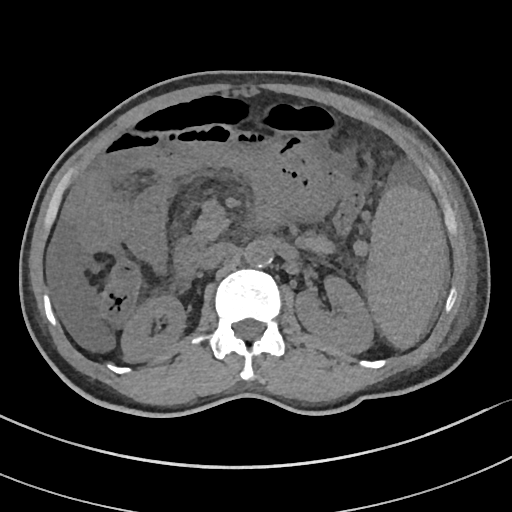
Abdominal CT. axial view. 512x512 px. SOMATOM Force scanner
Boxes: x1:y1:x2:y2 in pixels. Labeled organs on this slice: spleen at 365:184:447:349, right kidney at 121:295:185:362, left kidney at 295:276:373:353, aorta at 244:241:272:267, inferior vena cava at 200:242:236:269, pancreas at 189:215:226:247, duodenum at 173:238:205:285.